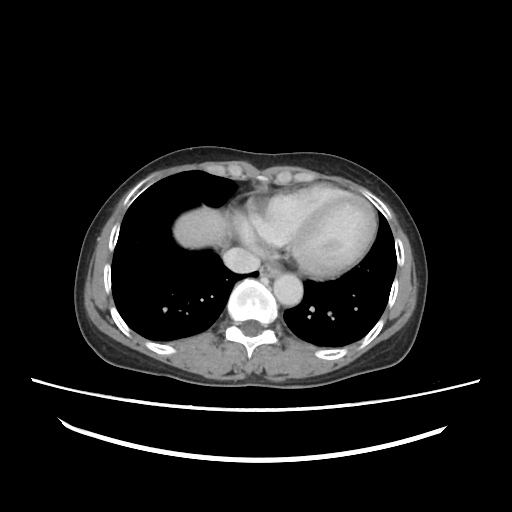 CT abdomen · axial view · 54-year-old female patient · Aquilion ONE scanner · scan has 15 labeled organs (a whole-scan count: organs this slice does not pass through have no box)
Coordinates as <box>x1,y1,x2,y2</box> in pixels.
Organ bounding boxes:
- esophagus: <box>258,264,281,277</box>
- aorta: <box>274,273,302,306</box>
- liver: <box>174,206,228,249</box>
- inferior vena cava: <box>222,248,259,272</box>